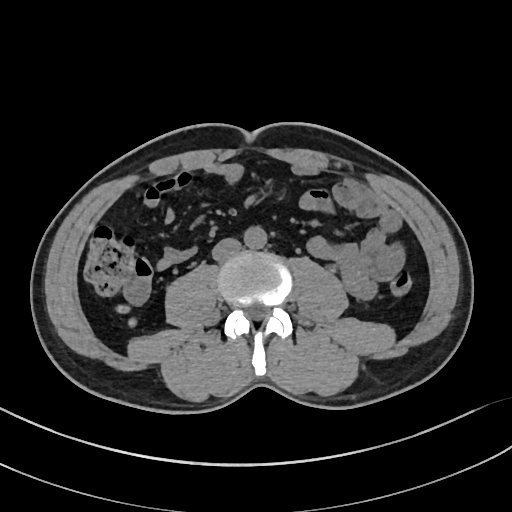 Abdominal CT; Axial slice 115/228; 512x512 px; 15 organs annotated in this scan (counted over the whole 3D scan, not this slice; an organ is boxed only where this slice passes through it)
One row per box, in pixels: columns x1 and y1 give the top-left corner, x2 and y2 the bottom-right.
| organ | x1 | y1 | x2 | y2 |
|---|---|---|---|---|
| aorta | 243 | 226 | 266 | 248 |
| inferior vena cava | 212 | 238 | 241 | 261 |